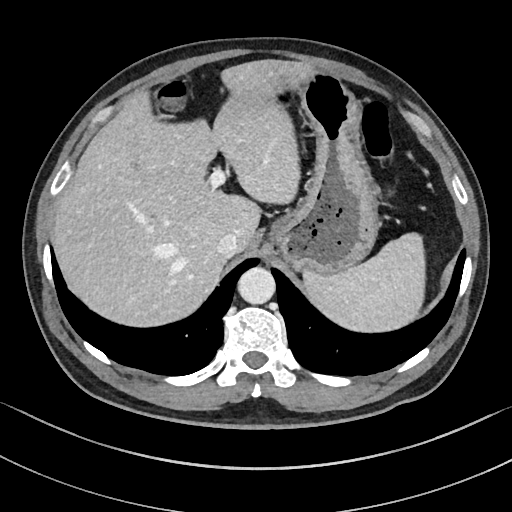 Computed tomography, abdomen — Axial slice 186/232 — 512x512 px — scan has 15 labeled organs (that count is for the whole scan; organs this slice misses have no box)
{"organs":{"spleen":[303,232,425,332],"liver":[52,59,313,326],"stomach":[268,69,378,274],"aorta":[238,267,275,304],"inferior vena cava":[217,233,239,258]}}